CT abdomen — axial view — 512x512 px
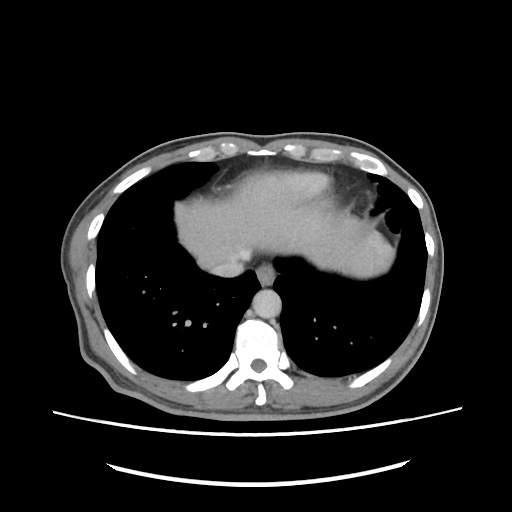

One row per box, in pixels: columns x1 and y1 give the top-left corner, x2 and y2 the bottom-right.
| organ | x1 | y1 | x2 | y2 |
|---|---|---|---|---|
| liver | 175 | 175 | 392 | 277 |
| aorta | 252 | 289 | 281 | 318 |
| inferior vena cava | 211 | 259 | 243 | 277 |
| esophagus | 256 | 264 | 274 | 285 |